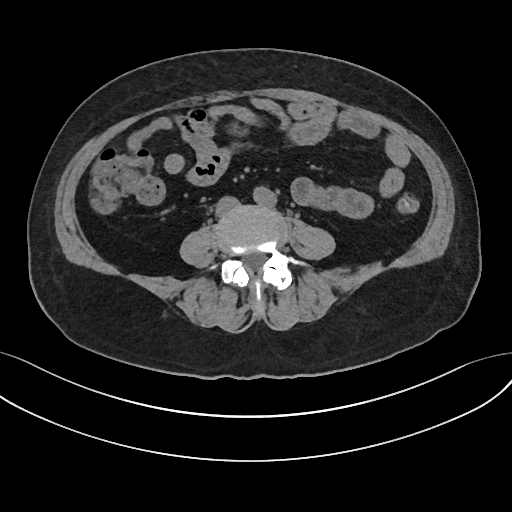

CT, abdomen/pelvis · axial view · soft-tissue window (W 400 / L 40) · scan has 15 labeled organs (counted over the whole 3D scan, not this slice; an organ is boxed only where this slice passes through it)
Boxes are (x1, y1, x2, y2) in pixels. The annotated organs in this slice are: aorta at (253, 186, 275, 206), inferior vena cava at (216, 196, 239, 215).